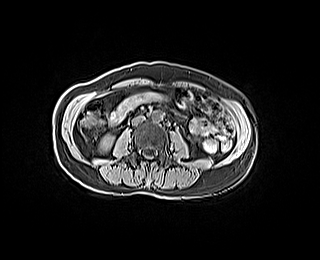

Abdominal MR; Axial slice 19/72; percentile-normalized; acquired on Prisma
Coordinates as <box>x1,y1,x2,y2</box> in pixels.
Organ bounding boxes:
- aorta: <box>152,111,162,121</box>
- inferior vena cava: <box>131,115,144,125</box>
- right kidney: <box>100,135,112,151</box>